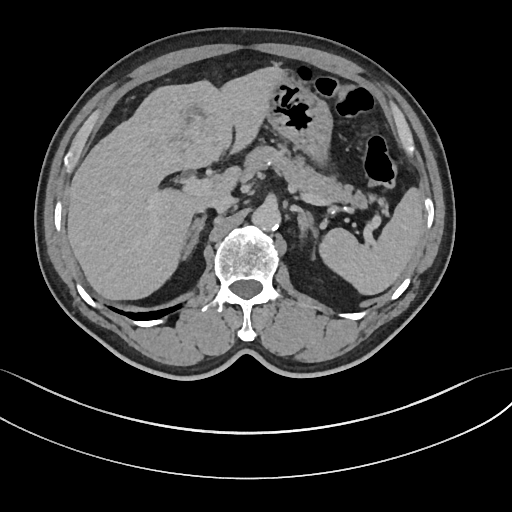 CT abdomen — Axial slice 165/224
{"organs":{"inferior vena cava":[199,192,234,213],"right adrenal gland":[184,216,205,257],"aorta":[251,205,280,231],"spleen":[319,188,422,295],"liver":[67,66,289,299],"left adrenal gland":[298,212,315,242],"pancreas":[244,146,367,207],"stomach":[267,80,333,164]}}